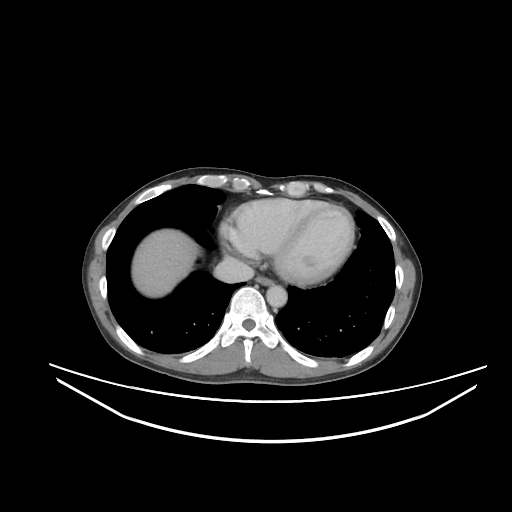

Computed tomography, abdomen — axial view — 15 organs annotated in this scan (that count is for the whole scan; organs this slice misses have no box)
{"organs":{"esophagus":[256,276,273,285],"liver":[132,229,198,297],"aorta":[266,285,287,307],"inferior vena cava":[214,257,254,283]}}